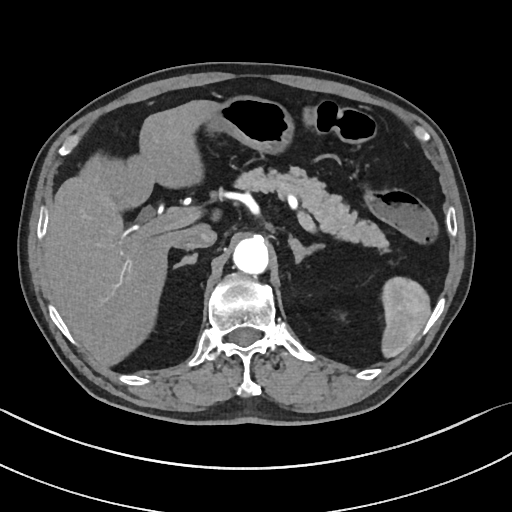 CT, abdomen/pelvis — axial view — 512x512 px — SOMATOM Force scanner
{"organs":{"spleen":[382,277,429,356],"liver":[44,100,214,365],"stomach":[201,96,291,152],"aorta":[233,237,268,273],"inferior vena cava":[174,226,216,249],"pancreas":[232,167,387,247],"right adrenal gland":[173,253,197,268],"left adrenal gland":[287,236,324,260]}}